CT, abdomen/pelvis. axial view. soft-tissue window
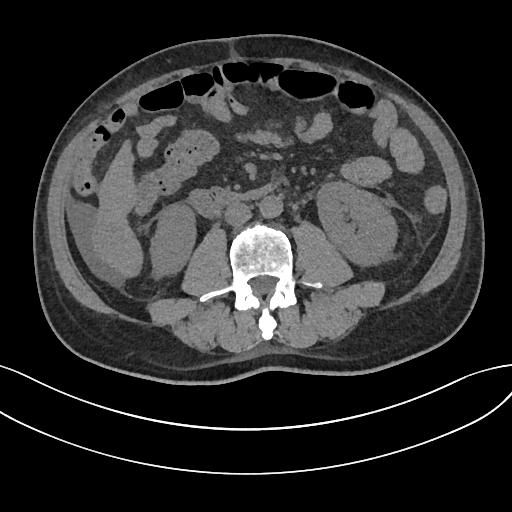 {"organs":{"right kidney":[150,204,195,276],"left kidney":[317,182,397,265],"liver":[91,140,142,277],"aorta":[259,195,282,218],"inferior vena cava":[224,202,251,226],"duodenum":[188,183,276,217]}}